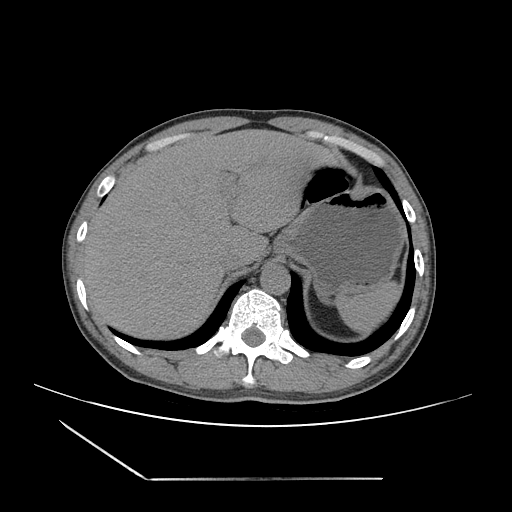
Computed tomography, abdomen; Axial slice 151/173
Each box given as x1,y1,x2,y2.
Organ bounding boxes:
- liver: x1=82, y1=128, x2=334, y2=341
- aorta: x1=260, y1=264, x2=290, y2=294
- spleen: x1=334, y1=278, x2=399, y2=331
- stomach: x1=275, y1=187, x2=405, y2=295
- inferior vena cava: x1=219, y1=250, x2=245, y2=272